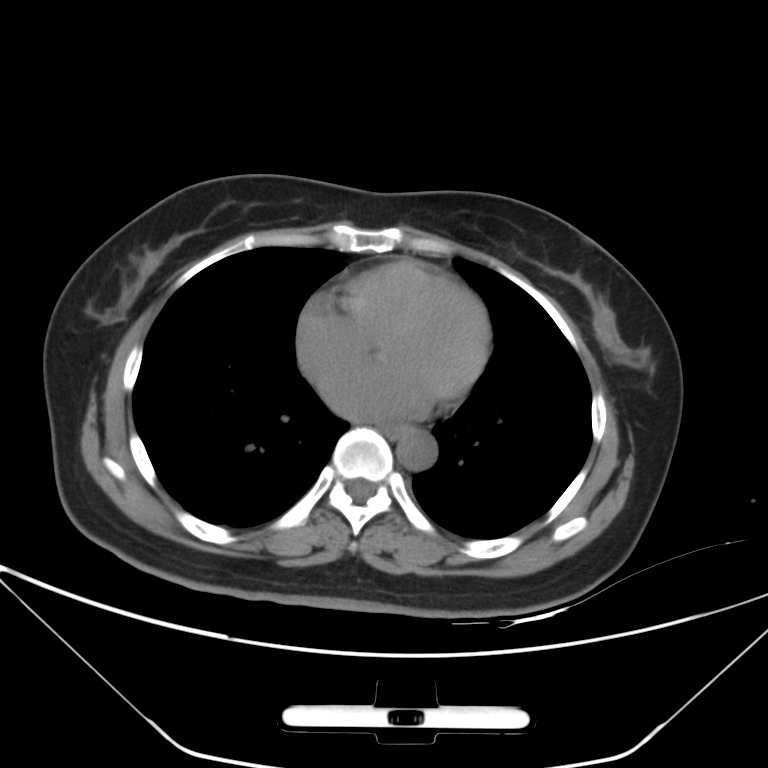 Lower-chest slice from an abdominal CT, just above the liver and spleen — axial view — scan has 15 labeled organs (counted over the whole 3D scan, not this slice; an organ is boxed only where this slice passes through it)
Of the structures in the chest, this dataset labels only the esophagus, the aorta and the inferior vena cava; the heart and lungs have no label. Boxes: x1:y1:x2:y2 in pixels. Labeled organs on this slice: esophagus at 378:420:410:443, aorta at 397:428:437:470.